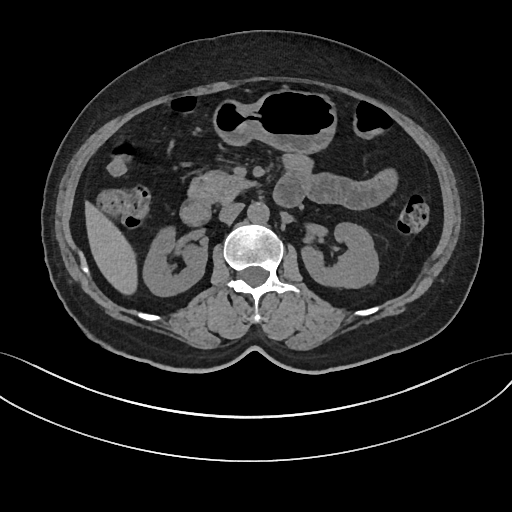
CT abdomen — axial plane, index 130 — acquired on SOMATOM Force
Box edges are left/top/right/bottom in pixels.
Organ bounding boxes:
- right kidney: left=143, top=226, right=207, bottom=296
- left kidney: left=301, top=223, right=378, bottom=288
- liver: left=85, top=201, right=137, bottom=294
- stomach: left=212, top=89, right=336, bottom=153
- aorta: left=247, top=202, right=269, bottom=223
- inferior vena cava: left=219, top=203, right=243, bottom=223
- pancreas: left=188, top=170, right=253, bottom=203
- duodenum: left=180, top=174, right=303, bottom=225